Chest-level CT slice, above the liver and spleen. axial view. 512x512 px. 31-year-old male patient. acquired on Aquilion ONE
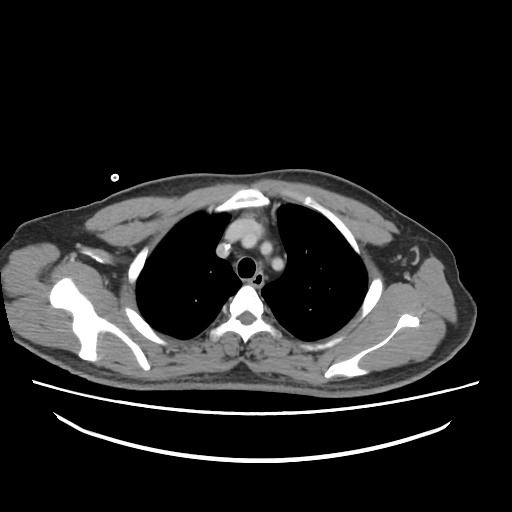
At this level of the chest no structure but the esophagus and the aorta has a label in this dataset, and those two are boxed only where they are labeled.
{"organs":{"esophagus":[248,271,262,287]}}